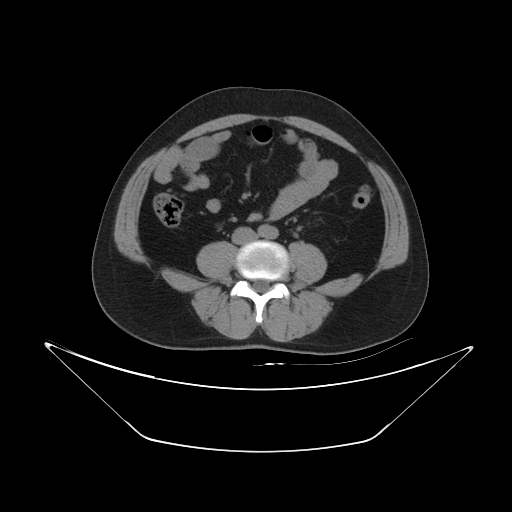
CT, abdomen/pelvis; axial view; abdomen soft-tissue window; 41-year-old male patient
Boxes are (x1, y1, x2, y2) in pixels. Labeled organs on this slice: aorta at (258, 224, 278, 239), inferior vena cava at (231, 227, 256, 244).